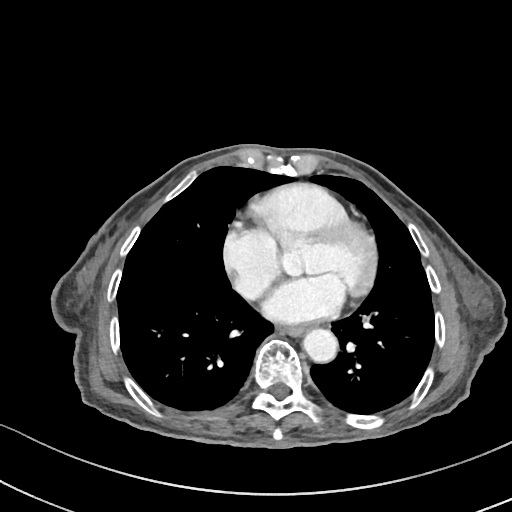 Lower-chest slice from an abdominal CT, just above the liver and spleen; axial view; soft-tissue window (W 400 / L 40)
No part of the heart or lungs is labeled in this dataset, so neither has a box here.
{"organs":{"esophagus":[278,326,306,335],"aorta":[303,329,338,363]}}